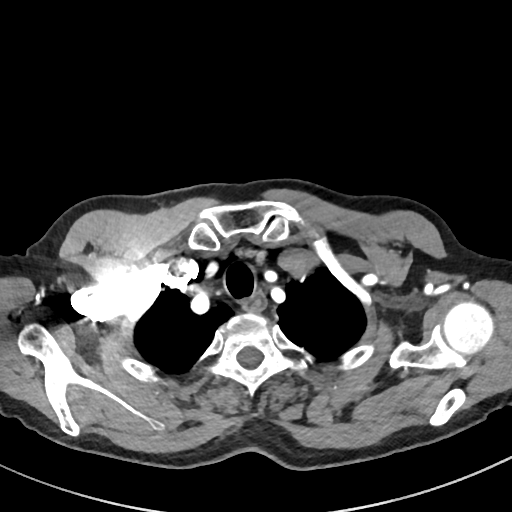

Abdominal CT reaching into the chest; this slice is in the chest — axial view — soft-tissue window, W/L 400/40
At this level of the chest no structure but the esophagus and the aorta has a label in this dataset, and those two are boxed only where they are labeled. Bounding boxes as [x1, y1, x2, y2] in pixel coordinates. 1 labeled organ on this slice — esophagus at [244, 290, 266, 311].